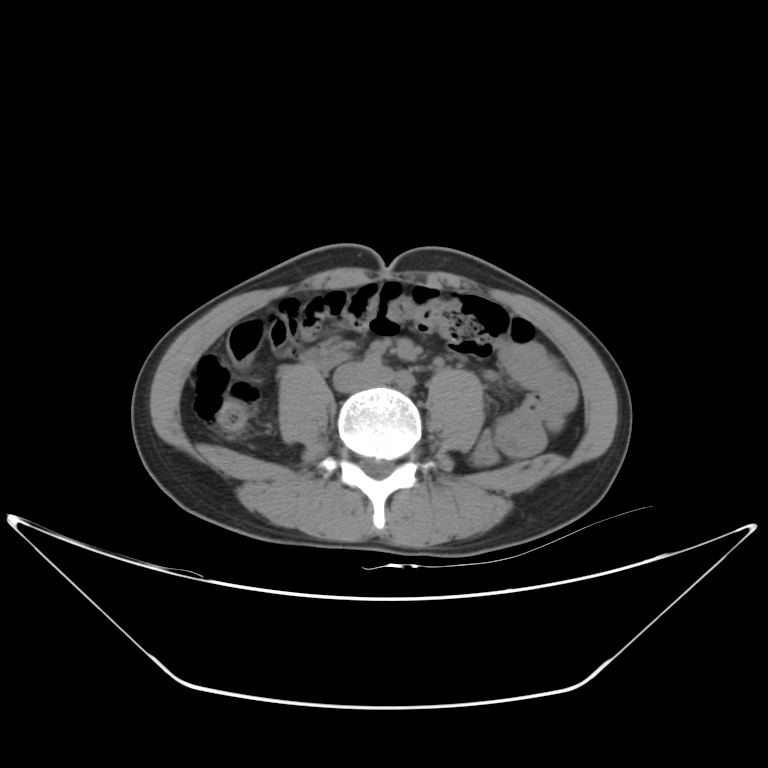 Computed tomography, abdomen — axial view — 768x768 px
Bounding boxes as [x1, y1, x2, y2] in pixel coordinates.
Organ bounding boxes:
- inferior vena cava: [333, 363, 390, 391]
- duodenum: [302, 346, 346, 365]